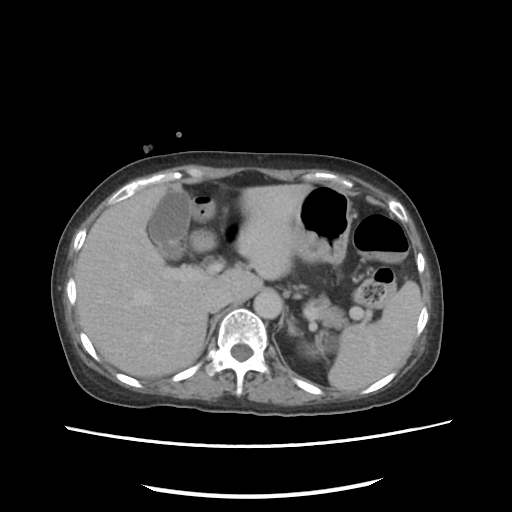 Computed tomography, abdomen — axial view — soft-tissue window (W 400 / L 40) — 512x512 px
<organs><organ name="spleen" x1="328" y1="280" x2="421" y2="392"/><organ name="left kidney" x1="303" y1="340" x2="335" y2="356"/><organ name="gall bladder" x1="147" y1="189" x2="190" y2="258"/><organ name="liver" x1="75" y1="184" x2="312" y2="376"/><organ name="stomach" x1="294" y1="185" x2="352" y2="264"/><organ name="aorta" x1="254" y1="290" x2="282" y2="319"/><organ name="inferior vena cava" x1="204" y1="289" x2="230" y2="312"/><organ name="pancreas" x1="310" y1="295" x2="347" y2="328"/><organ name="left adrenal gland" x1="288" y1="320" x2="301" y2="335"/></organs>